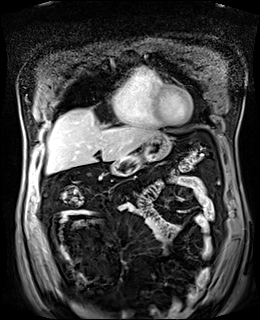

Abdominal MRI. Coronal slice 111/144. percentile-normalized. 13 organs annotated in this scan (a whole-scan count: organs this slice does not pass through have no box)
<organs><organ name="stomach" x1="111" y1="134" x2="171" y2="175"/><organ name="liver" x1="47" y1="109" x2="159" y2="173"/></organs>